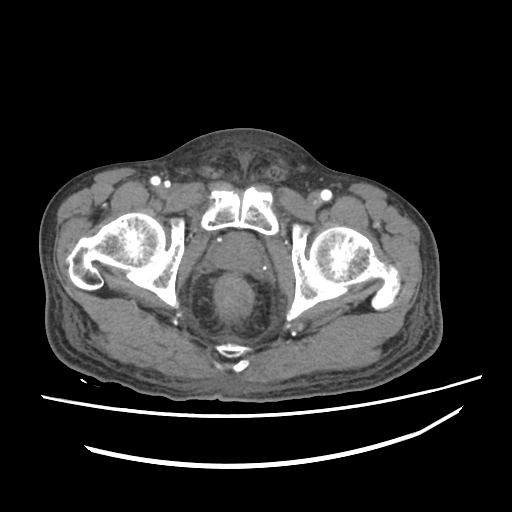

Computed tomography, abdomen — axial view — 50-year-old male patient
Bounding boxes in pixels, one row per box: x1, y1 is the top-left corner and x2, y2 the bottom-right.
| organ | x1 | y1 | x2 | y2 |
|---|---|---|---|---|
| prostate/uterus | 212 | 234 | 262 | 272 |